Abdominal CT — Axial slice 17/128 — abdomen soft-tissue window — 512x512 px
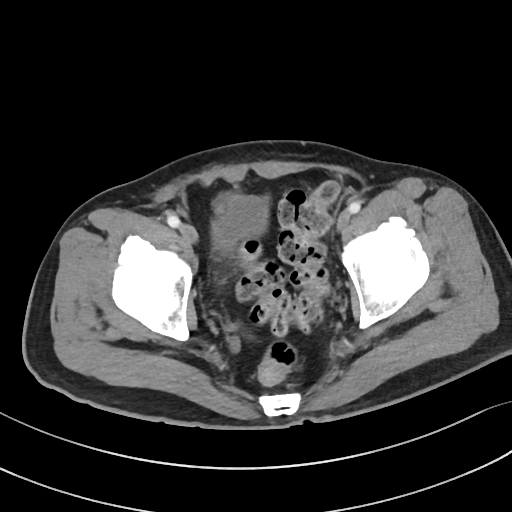

One row per box, in pixels: columns x1 and y1 give the top-left corner, x2 and y2 the bottom-right.
| organ | x1 | y1 | x2 | y2 |
|---|---|---|---|---|
| bladder | 212 | 194 | 268 | 252 |